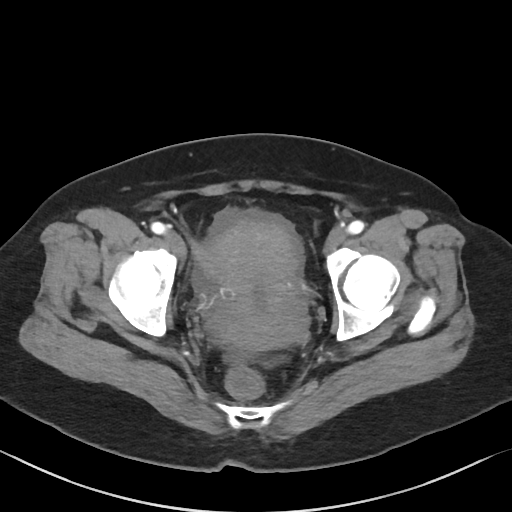

CT, abdomen/pelvis · Axial slice 12/88 · 512x512 px · 15 organs annotated in this scan (a whole-scan count: organs this slice does not pass through have no box)
Organ boxes in pixel coordinates; each row gives the top-left (x1, y1) and bottom-right (x2, y2) corners.
| organ | x1 | y1 | x2 | y2 |
|---|---|---|---|---|
| prostate/uterus | 199 | 219 | 303 | 349 |